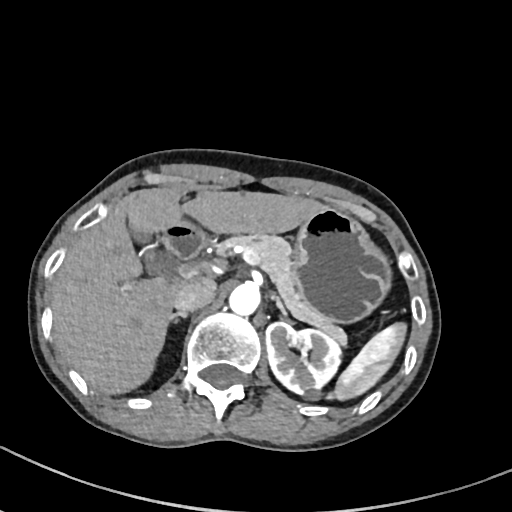
CT abdomen; Axial slice 165/207; W/L 400/40 HU; 512x512 px
<organs><organ name="inferior vena cava" x1="173" y1="277" x2="216" y2="312"/><organ name="pancreas" x1="215" y1="233" x2="346" y2="343"/><organ name="left kidney" x1="265" y1="321" x2="342" y2="399"/><organ name="right adrenal gland" x1="171" y1="312" x2="186" y2="319"/><organ name="aorta" x1="230" y1="281" x2="260" y2="313"/><organ name="duodenum" x1="162" y1="221" x2="207" y2="259"/><organ name="liver" x1="51" y1="186" x2="328" y2="392"/><organ name="left adrenal gland" x1="272" y1="294" x2="285" y2="317"/><organ name="spleen" x1="326" y1="322" x2="407" y2="400"/><organ name="stomach" x1="293" y1="207" x2="390" y2="321"/><organ name="gall bladder" x1="135" y1="228" x2="164" y2="271"/></organs>